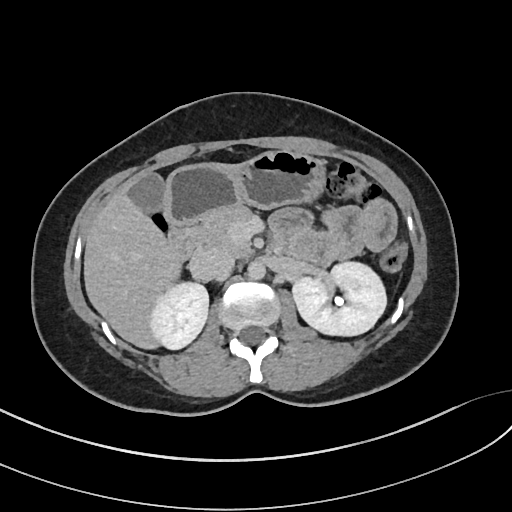 CT abdomen — axial plane, index 152 — soft-tissue window (W 400 / L 40) — 512x512 px
{"organs":{"right kidney":[149,283,208,348],"left kidney":[291,262,386,336],"gall bladder":[130,173,166,214],"liver":[83,162,241,350],"stomach":[166,150,327,226],"aorta":[247,261,266,280],"inferior vena cava":[190,249,233,282],"pancreas":[194,203,257,254],"duodenum":[169,225,199,256]}}